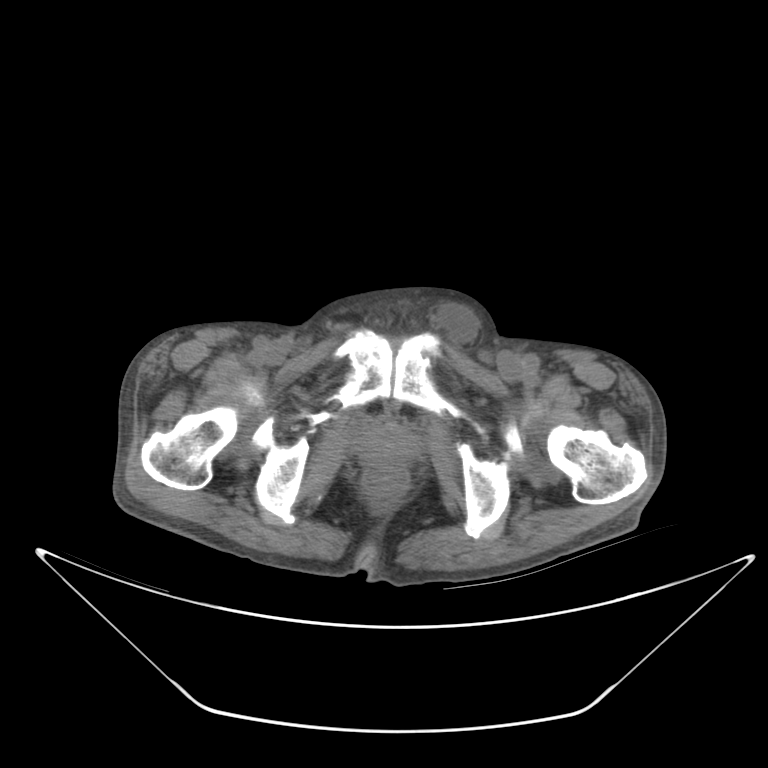

Computed tomography, abdomen · axial view · 768x768 px · 68-year-old male patient
{"organs":{"prostate/uterus":[355,422,415,459]}}